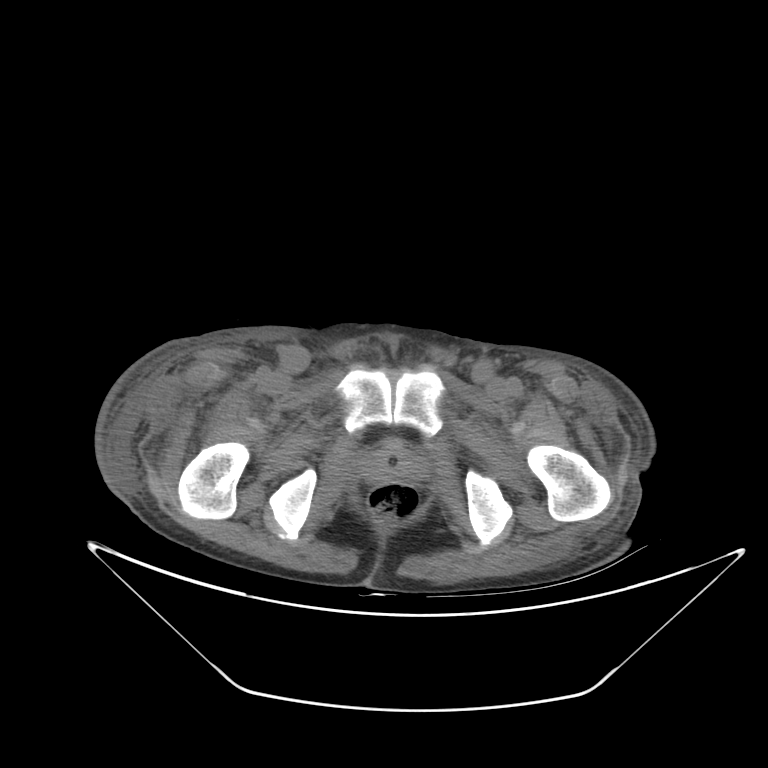

Computed tomography, abdomen — axial plane, index 12 — W/L 400/40 HU — 56-year-old male patient
<organs><organ name="prostate/uterus" x1="375" y1="451" x2="412" y2="479"/></organs>